Computed tomography, abdomen. axial view. W/L 400/40 HU. 512x512 px. SOMATOM Force scanner
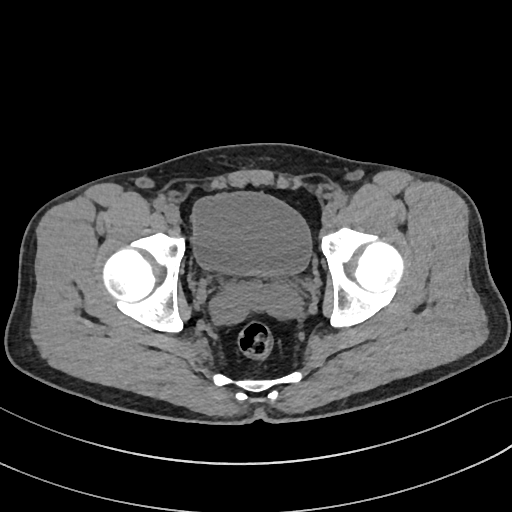

Bounding boxes in pixels, one row per box: x1, y1 is the top-left corner and x2, y2 the bottom-right.
| organ | x1 | y1 | x2 | y2 |
|---|---|---|---|---|
| bladder | 191 | 192 | 311 | 278 |